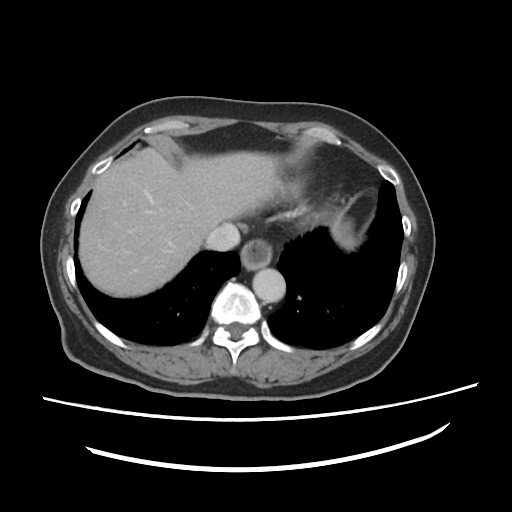 Computed tomography, abdomen — Axial slice 84/128 — soft-tissue window — 512x512 px — scan has 14 labeled organs (a whole-scan count: organs this slice does not pass through have no box)
<organs><organ name="esophagus" x1="241" y1="239" x2="273" y2="270"/><organ name="liver" x1="78" y1="148" x2="296" y2="297"/><organ name="stomach" x1="334" y1="226" x2="353" y2="246"/><organ name="aorta" x1="253" y1="267" x2="286" y2="302"/><organ name="inferior vena cava" x1="205" y1="223" x2="240" y2="251"/></organs>